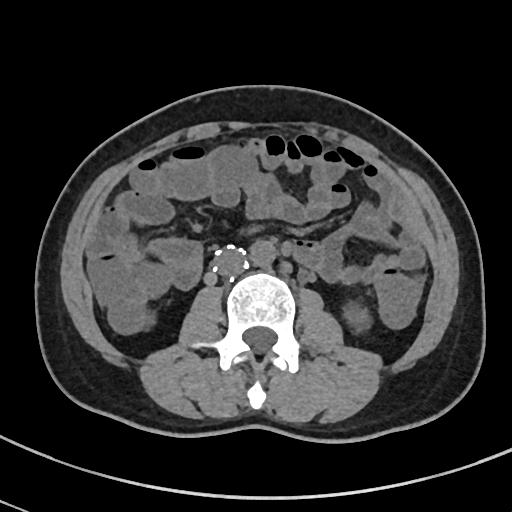 CT, abdomen/pelvis — axial view — soft-tissue window (W 400 / L 40)
Boxes: x1:y1:x2:y2 in pixels.
inferior vena cava: 210:248:246:278
aorta: 249:239:276:266
left kidney: 343:304:370:326